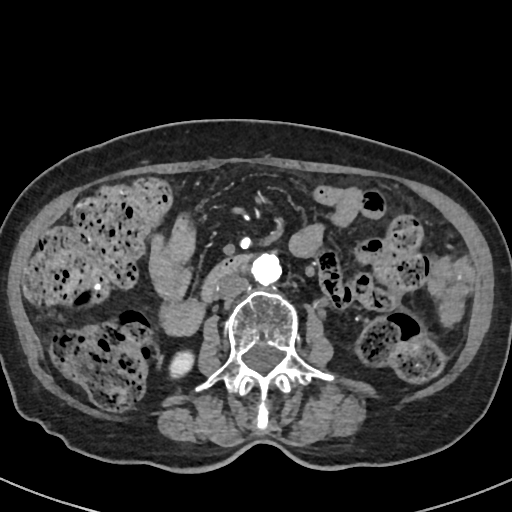 Abdominal CT — axial view
<organs><organ name="right kidney" x1="169" y1="350" x2="193" y2="378"/><organ name="aorta" x1="251" y1="253" x2="281" y2="284"/><organ name="inferior vena cava" x1="216" y1="274" x2="248" y2="300"/><organ name="duodenum" x1="201" y1="255" x2="253" y2="301"/></organs>